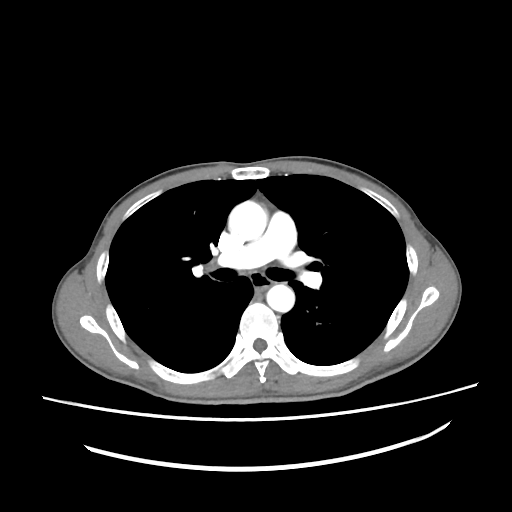

Abdominal CT reaching into the chest; this slice is in the chest — axial view — soft-tissue window — 512x512 px — acquired on Aquilion ONE — 14 organs annotated in this scan (that count is for the whole scan; organs this slice misses have no box)
At this level of the chest this dataset labels only the esophagus and the aorta, and each is boxed only where it is labeled; the heart and lungs are never labeled. Each box given as x1,y1,x2,y2. The annotated organs in this slice are: esophagus at x1=251, y1=274, x2=272, y2=290, aorta at x1=228, y1=201, x2=266, y2=240, aorta at x1=266, y1=284, x2=294, y2=312.